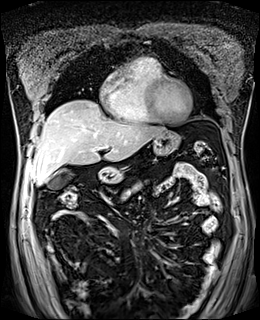 Abdominal MR — coronal acquisition — 260x320 px
{"organs":{"gall bladder":[47,169,72,189],"liver":[32,100,165,185],"stomach":[97,130,180,183],"pancreas":[122,182,142,199]}}